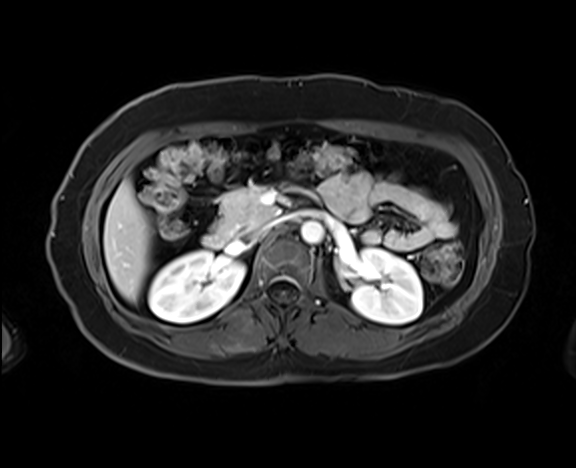 Abdominal MR. Axial slice 18/72. percentile-normalized. Prisma scanner
Boxes: x1:y1:x2:y2 in pixels.
right kidney: 148:251:244:321
left kidney: 351:248:422:324
liver: 103:179:152:301
aorta: 301:221:323:244
inferior vena cava: 253:220:278:236
pancreas: 215:186:277:238
duodenum: 203:233:228:248